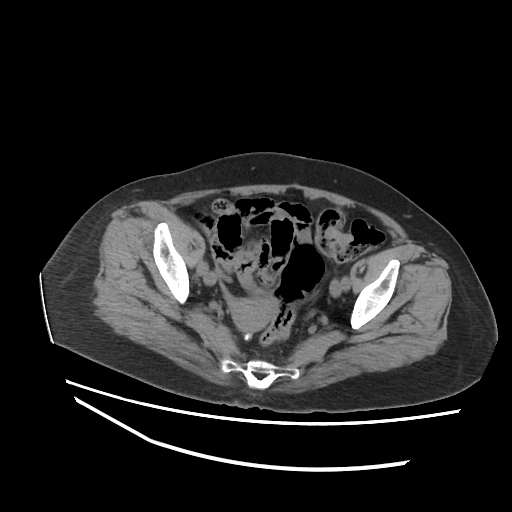
CT, abdomen/pelvis · axial view · abdomen soft-tissue window · 512x512 px · 57-year-old female patient
<organs><organ name="prostate/uterus" x1="232" y1="299" x2="276" y2="332"/></organs>